CT abdomen; axial view; 512x512 px
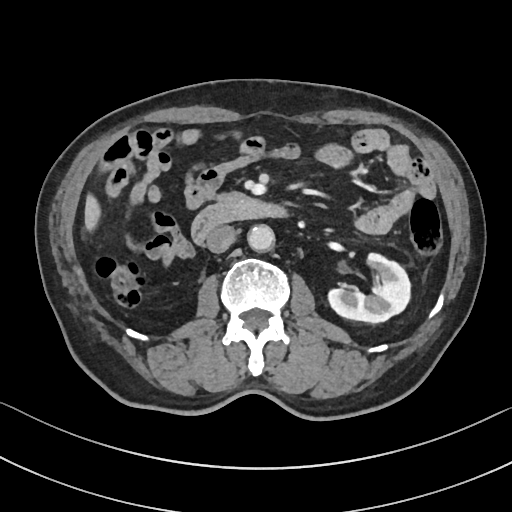

Box edges are left/top/right/bottom in pixels.
Organ bounding boxes:
- left kidney: left=328, top=253, right=410, bottom=323
- liver: left=84, top=194, right=100, bottom=231
- aorta: left=247, top=225, right=275, bottom=251
- inferior vena cava: left=206, top=225, right=235, bottom=253
- pancreas: left=217, top=192, right=245, bottom=204
- duodenum: left=191, top=197, right=285, bottom=245